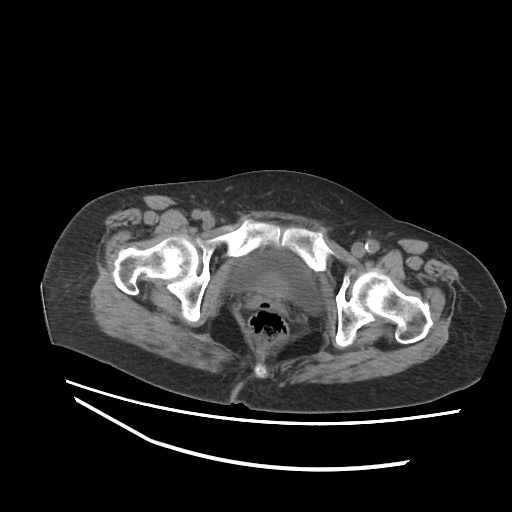
CT, abdomen/pelvis — Axial slice 11/84 — soft-tissue window — 512x512 px — scan has 15 labeled organs (that count is for the whole scan; organs this slice misses have no box)
Boxes: x1 y1 x2 y2 (pixel coords, space-separated). The annotated organs in this slice are: bladder at 230 250 320 312.